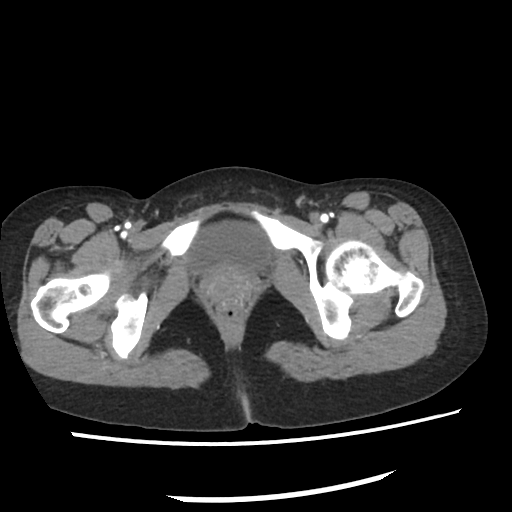

CT abdomen. axial view. 512x512 px. Aquilion ONE scanner
{"organs":{"bladder":[187,224,267,271]}}